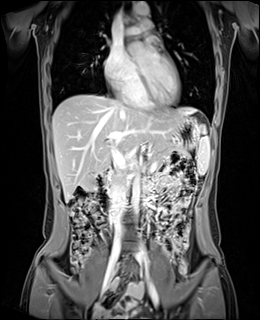 Abdominal MRI — Coronal slice 85/144 — 1st–99th percentile window — 260x320 px
Box edges are left/top/right/bottom in pixels.
Organ bounding boxes:
- duodenum: left=95, top=169, right=111, bottom=213
- stomach: left=174, top=116, right=202, bottom=147
- gall bladder: left=81, top=176, right=94, bottom=190
- esophagus: left=133, top=2, right=137, bottom=3
- pancreas: left=151, top=143, right=189, bottom=165
- spleen: left=197, top=126, right=209, bottom=174
- aorta: left=132, top=178, right=139, bottom=215
- aorta: left=132, top=3, right=150, bottom=15
- liver: left=52, top=94, right=197, bottom=201
- inferior vena cava: left=111, top=172, right=126, bottom=233